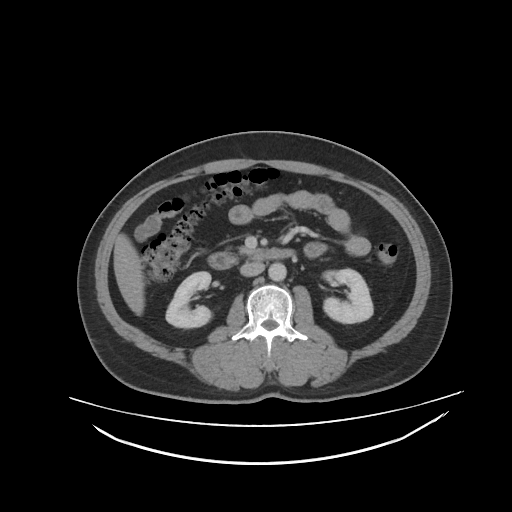 CT abdomen — axial plane, index 62 — scan has 15 labeled organs (a whole-scan count: organs this slice does not pass through have no box)
{"organs":{"right kidney":[166,271,211,328],"left kidney":[322,268,373,323],"liver":[113,233,145,315],"aorta":[267,262,287,280],"inferior vena cava":[240,262,263,275],"pancreas":[238,246,250,255],"duodenum":[209,249,294,268]}}